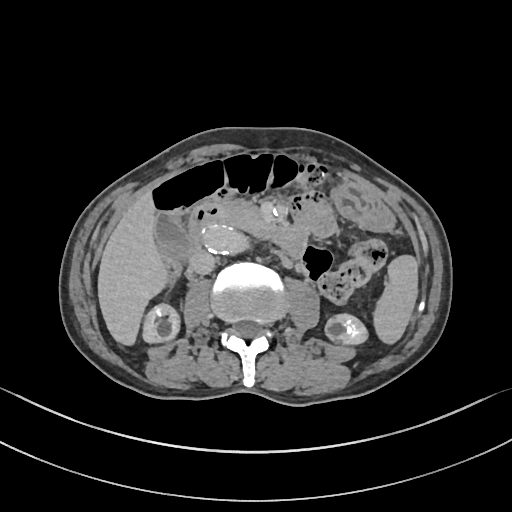 CT, abdomen/pelvis; axial view; soft-tissue window (W 400 / L 40)
Coordinates as <box>x1,y1,x2,y2</box> in pixels.
Organ bounding boxes:
- spleen: <box>373,254,417,345</box>
- right kidney: <box>142,303,180,343</box>
- left kidney: <box>324,313,367,346</box>
- gall bladder: <box>151,213,190,262</box>
- liver: <box>97,189,165,346</box>
- stomach: <box>329,178,396,233</box>
- aorta: <box>201,225,247,254</box>
- inferior vena cava: <box>190,250,216,274</box>
- pancreas: <box>216,201,274,232</box>
- duodenum: <box>175,206,308,263</box>